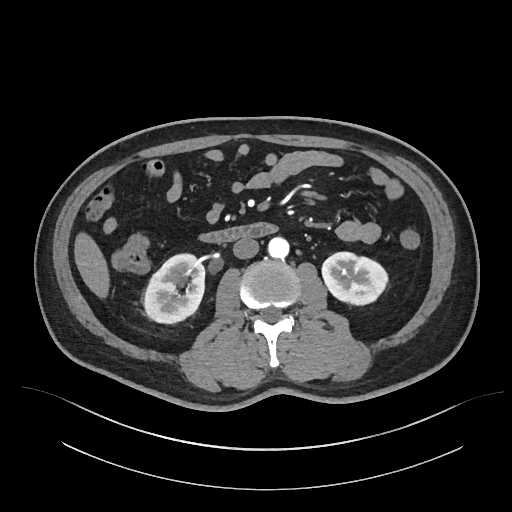

Abdominal CT; axial view; SOMATOM Force scanner; 15 organs annotated in this scan (counted over the whole 3D scan, not this slice; an organ is boxed only where this slice passes through it)
Bounding boxes as [x1, y1, x2, y2] in pixel coordinates. Labeled organs on this slice: right kidney at [144, 254, 205, 322], left kidney at [322, 252, 386, 304], liver at [74, 235, 108, 295], aorta at [268, 236, 289, 257], inferior vena cava at [233, 237, 259, 258], duodenum at [201, 222, 276, 243].